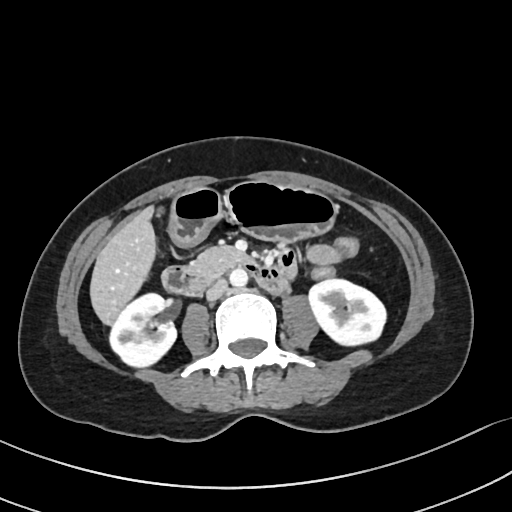 CT abdomen; axial view; abdomen soft-tissue window; 15 organs annotated in this scan (that count is for the whole scan; organs this slice misses have no box)
Boxes: x1 y1 x2 y2 (pixel coords, space-separated). 8 labeled organs on this slice — inferior vena cava at 206 279 227 300; right kidney at 109 293 176 367; aorta at 229 268 248 287; duodenum at 161 250 296 295; stomach at 169 181 337 246; left kidney at 308 279 386 345; pancreas at 189 246 241 282; liver at 90 206 156 324.